CT of the abdomen reaching into the lower chest, slice just above the liver and spleen; axial plane, index 186
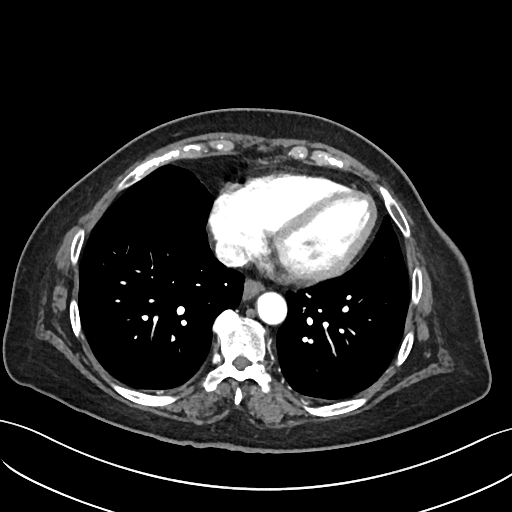 The heart and lungs are never labeled in this dataset, so they have no box on this slice.
{"organs":{"esophagus":[243,279,263,298],"aorta":[257,292,286,324],"inferior vena cava":[215,239,247,266]}}